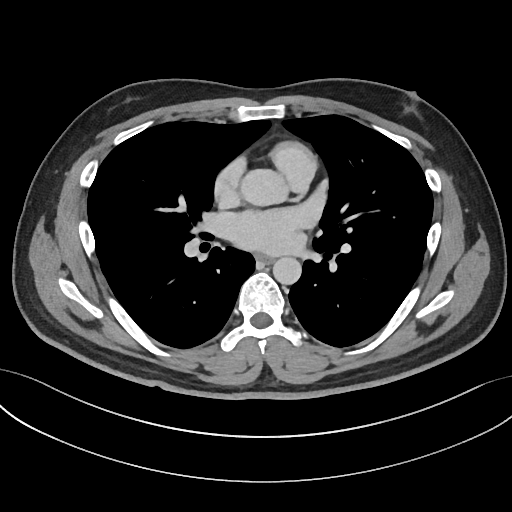

Chest-level slice from an abdominal CT that extends up into the chest. axial plane, index 270. soft-tissue window, W/L 400/40. 512x512 px. acquired on SOMATOM Force
On a slice this high in the chest, this dataset labels only the esophagus and the aorta, and each is boxed only where it is labeled; the heart, lungs and other chest structures are not labeled. Boxes: x1 y1 x2 y2 (pixel coords, space-separated). The annotated organs in this slice are: aorta at 241 169 288 205, aorta at 272 257 301 284, esophagus at 256 254 273 263.